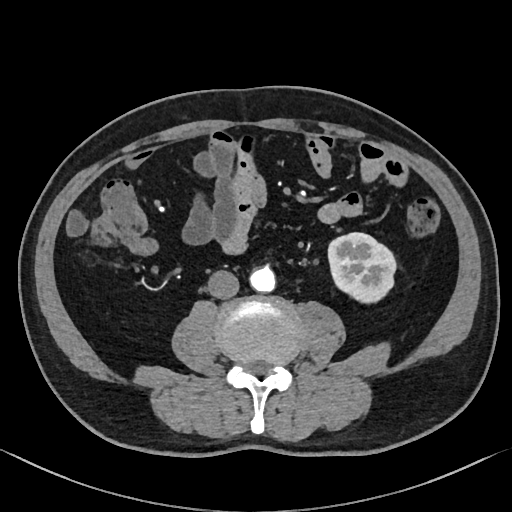

CT abdomen — axial view — abdomen soft-tissue window — 512x512 px
<organs><organ name="inferior vena cava" x1="207" y1="270" x2="239" y2="299"/><organ name="aorta" x1="250" y1="267" x2="275" y2="292"/><organ name="left kidney" x1="328" y1="233" x2="396" y2="302"/></organs>